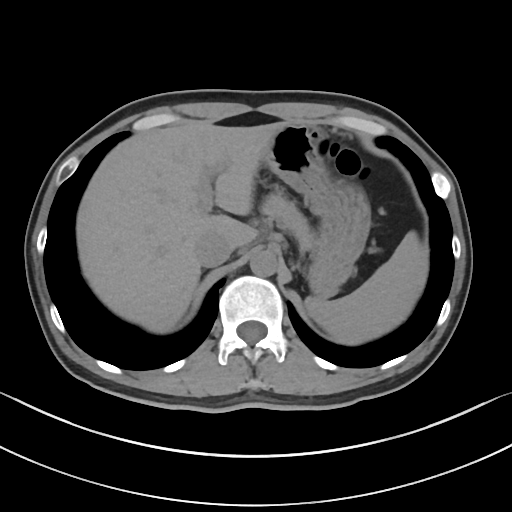

CT abdomen. axial view. soft-tissue window (W 400 / L 40). acquired on SOMATOM Force
Bounding boxes as [x1, y1, x2, y2] in pixel coordinates.
Organ bounding boxes:
- spleen: [305, 231, 428, 344]
- liver: [76, 120, 287, 333]
- stomach: [262, 122, 370, 298]
- aorta: [249, 250, 277, 276]
- inferior vena cava: [194, 232, 235, 267]
- pancreas: [260, 190, 315, 250]